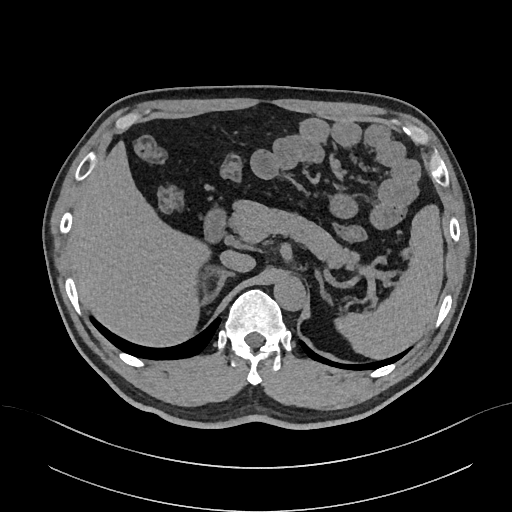
Computed tomography, abdomen — axial view — 512x512 px
Organ boxes in pixel coordinates; each row gives the top-left (x1, y1) and bottom-right (x2, y2) corners.
| organ | x1 | y1 | x2 | y2 |
|---|---|---|---|---|
| spleen | 336 | 204 | 443 | 358 |
| liver | 67 | 140 | 213 | 345 |
| aorta | 274 | 278 | 305 | 311 |
| inferior vena cava | 220 | 249 | 254 | 273 |
| pancreas | 231 | 201 | 357 | 267 |
| right adrenal gland | 201 | 266 | 236 | 309 |
| left adrenal gland | 316 | 272 | 333 | 305 |
| duodenum | 203 | 208 | 228 | 241 |